CT, abdomen/pelvis · axial view · SOMATOM Force scanner
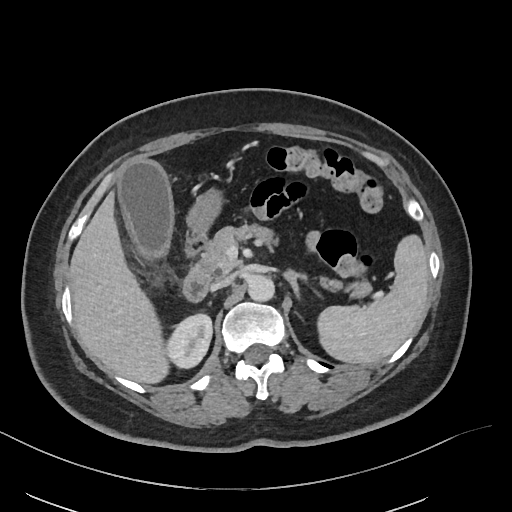

Box edges are left/top/right/bottom in pixels.
Organ bounding boxes:
- spleen: left=317, top=234, right=429, bottom=364
- right kidney: left=166, top=314, right=212, bottom=368
- gall bladder: left=116, top=160, right=172, bottom=257
- liver: left=69, top=191, right=168, bottom=383
- stomach: left=166, top=180, right=224, bottom=236
- aorta: left=248, top=275, right=274, bottom=301
- inferior vena cava: left=212, top=275, right=233, bottom=289
- pancreas: left=197, top=224, right=371, bottom=297
- left adrenal gland: left=284, top=270, right=305, bottom=298
- duodenum: left=182, top=236, right=210, bottom=301